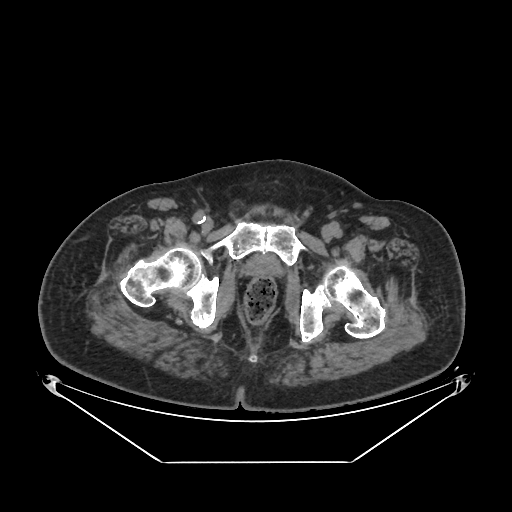
Computed tomography, abdomen · axial view · 512x512 px
Boxes: x1 y1 x2 y2 (pixel coords, space-separated).
Organ bounding boxes:
- prostate/uterus: 247 254 281 275